CT abdomen — axial plane, index 17 — W/L 400/40 HU — 512x512 px — 43-year-old female patient
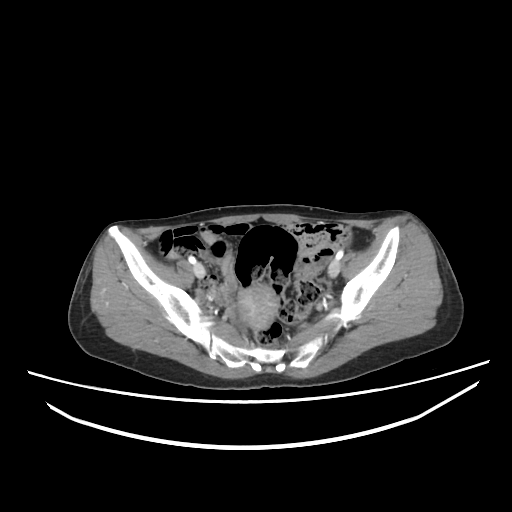

Boxes: x1:y1:x2:y2 in pixels. The annotated organs in this slice are: prostate/uterus at 239:285:276:327.